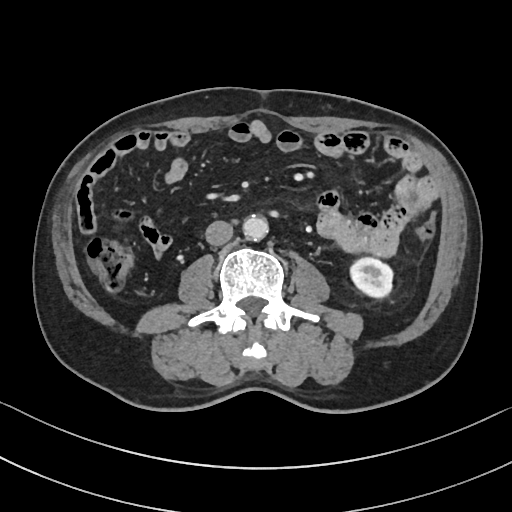 CT, abdomen/pelvis · axial view · abdomen soft-tissue window
Box edges are left/top/right/bottom in pixels. Labeled organs on this slice: left kidney at left=349, top=256, right=393, bottom=299, aorta at left=243, top=215, right=268, bottom=240, inferior vena cava at left=205, top=221, right=233, bottom=245.